Lower-chest slice from an abdominal CT, just above the liver and spleen · axial view
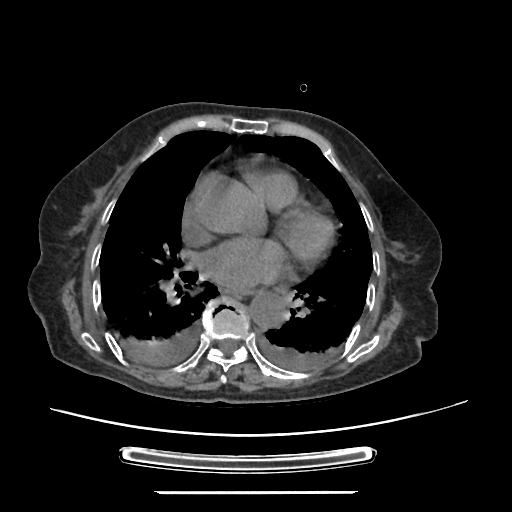
Of the structures in the chest, this dataset labels only the esophagus, the aorta and the inferior vena cava; the heart and lungs have no label. Bounding boxes as [x1, y1, x2, y2] in pixel coordinates. 2 labeled organs on this slice — esophagus at [228, 289, 253, 295]; aorta at [249, 292, 286, 328].